CT, abdomen/pelvis; axial view; W/L 400/40 HU
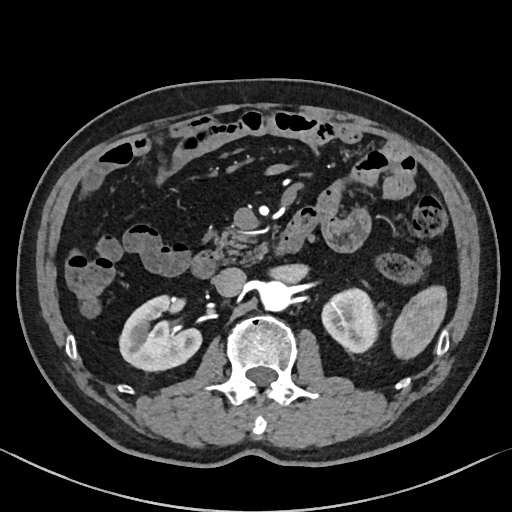 Each box given as x1,y1,x2,y2.
Organ bounding boxes:
- right kidney: x1=119, y1=295, x2=202, y2=371
- duodenum: x1=192, y1=250, x2=220, y2=277
- pancreas: x1=206, y1=226, x2=261, y2=262
- spleen: x1=390, y1=288, x2=448, y2=358
- inferior vena cava: x1=212, y1=267, x2=245, y2=297
- aorta: x1=260, y1=282, x2=292, y2=312
- left kidney: x1=323, y1=290, x2=376, y2=351